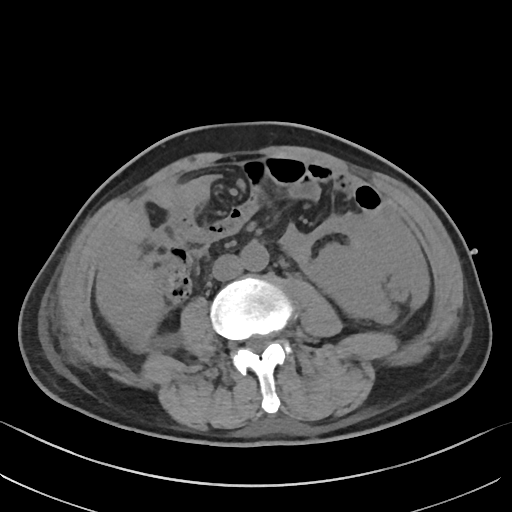 CT abdomen · axial view · 512x512 px
Boxes: x1 y1 x2 y2 (pixel coords, space-separated).
Organ bounding boxes:
- inferior vena cava: 212 254 242 280
- aorta: 240 242 268 271